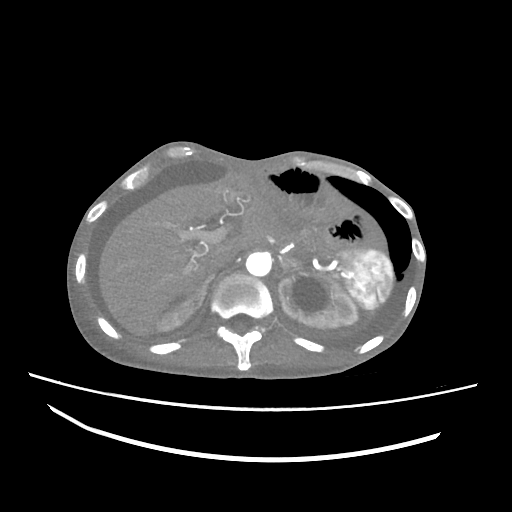 CT, abdomen/pelvis; axial view
<organs><organ name="spleen" x1="342" y1="250" x2="391" y2="310"/><organ name="right kidney" x1="156" y1="305" x2="191" y2="331"/><organ name="left kidney" x1="278" y1="272" x2="357" y2="328"/><organ name="liver" x1="98" y1="173" x2="257" y2="336"/><organ name="aorta" x1="246" y1="252" x2="271" y2="276"/><organ name="inferior vena cava" x1="205" y1="252" x2="234" y2="275"/><organ name="right adrenal gland" x1="182" y1="275" x2="213" y2="310"/><organ name="left adrenal gland" x1="280" y1="257" x2="303" y2="274"/></organs>